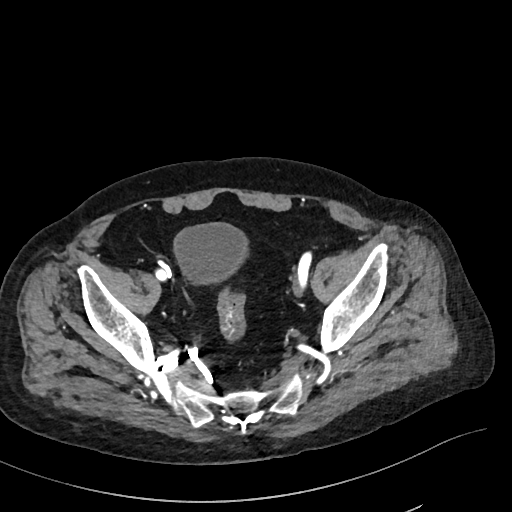

CT, abdomen/pelvis; Axial slice 58/235
One row per box, in pixels: columns x1 and y1 give the top-left corner, x2 and y2 the bottom-right.
| organ | x1 | y1 | x2 | y2 |
|---|---|---|---|---|
| bladder | 174 | 224 | 245 | 283 |